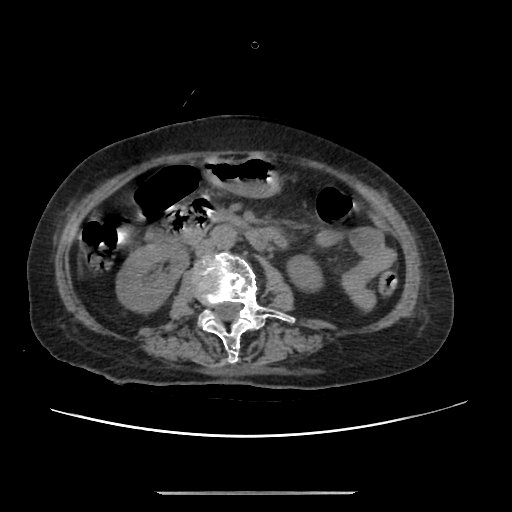

Computed tomography, abdomen · Axial slice 204/353 · abdomen soft-tissue window · acquired on SOMATOM Force
<organs><organ name="right kidney" x1="117" y1="243" x2="188" y2="310"/><organ name="left kidney" x1="288" y1="256" x2="321" y2="288"/><organ name="stomach" x1="204" y1="156" x2="279" y2="197"/><organ name="aorta" x1="212" y1="225" x2="237" y2="248"/><organ name="inferior vena cava" x1="195" y1="239" x2="215" y2="256"/><organ name="duodenum" x1="149" y1="203" x2="274" y2="249"/></organs>